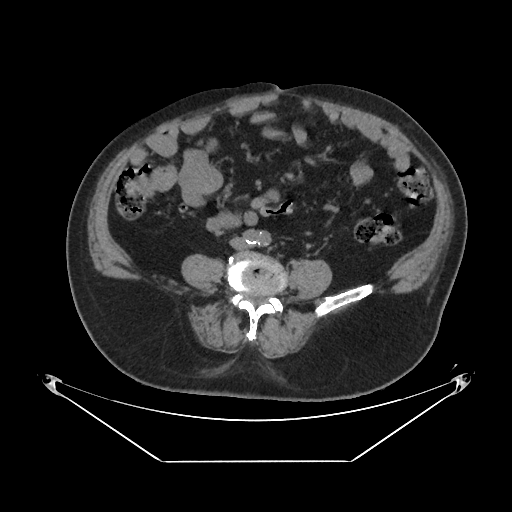
CT, abdomen/pelvis · axial view · abdomen soft-tissue window
{"organs":{"inferior vena cava":[229,237,247,250],"aorta":[245,229,270,246]}}